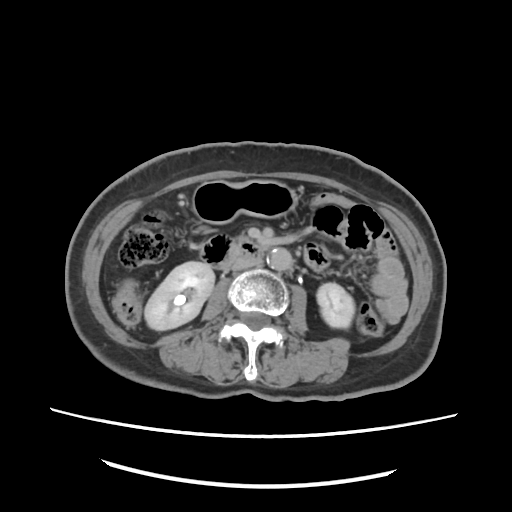 CT abdomen; axial view; W/L 400/40 HU; 512x512 px; 15 organs annotated in this scan (a whole-scan count: organs this slice does not pass through have no box)
{"organs":{"right kidney":[145,261,214,331],"left kidney":[316,282,353,327],"stomach":[193,180,293,222],"aorta":[266,248,292,270],"inferior vena cava":[230,256,263,271],"duodenum":[199,235,262,267]}}